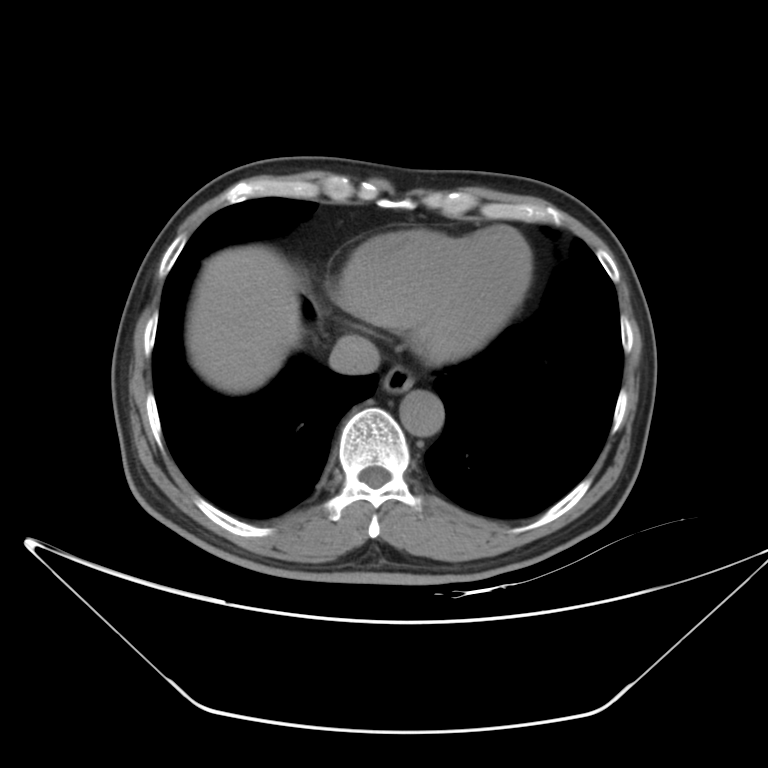

Computed tomography, abdomen — Axial slice 86/93 — soft-tissue window
Organ boxes in pixel coordinates; each row gives the top-left (x1, y1) and bottom-right (x2, y2) corners.
| organ | x1 | y1 | x2 | y2 |
|---|---|---|---|---|
| esophagus | 381 | 364 | 414 | 393 |
| aorta | 400 | 390 | 444 | 435 |
| liver | 189 | 247 | 302 | 389 |
| inferior vena cava | 329 | 334 | 380 | 374 |